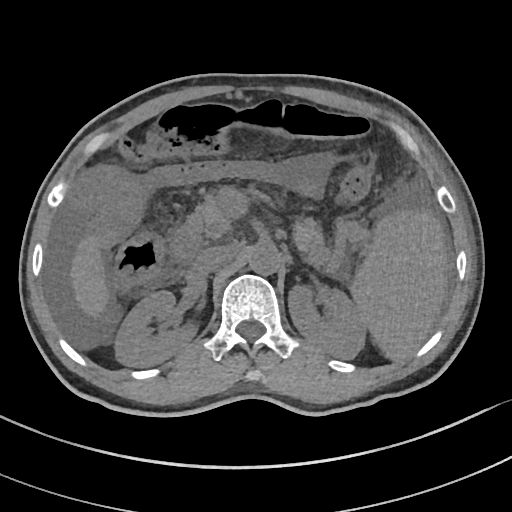 Computed tomography, abdomen · axial view · 512x512 px
{"organs":{"spleen":[351,210,447,359],"duodenum":[168,229,204,264],"liver":[71,240,106,313],"left kidney":[288,285,368,359],"pancreas":[181,199,324,254],"inferior vena cava":[194,245,236,273],"aorta":[248,243,279,274],"right kidney":[115,291,192,367]}}